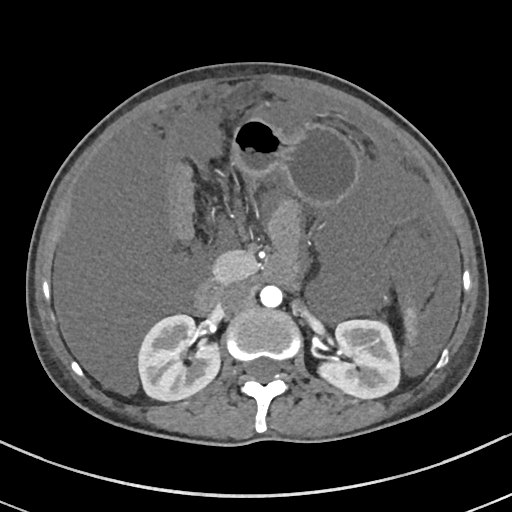
Abdominal CT · axial plane, index 146
Coordinates as <box>x1,y1,x2,y2</box> in pixels. 8 labeled organs on this slice — spleen at <box>402,304,416,368</box>; right kidney at <box>137,314,219,400</box>; left kidney at <box>317,319,400,398</box>; stomach at <box>233,119,358,203</box>; aorta at <box>260,284,282,306</box>; inferior vena cava at <box>219,284,252,311</box>; pancreas at <box>214,251,258,283</box>; duodenum at <box>195,258,294,314</box>.